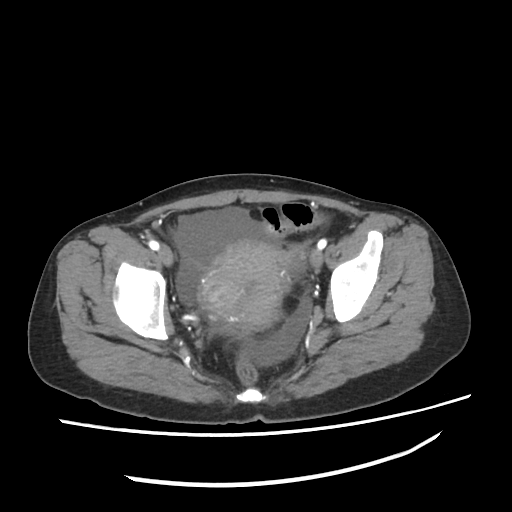

CT, abdomen/pelvis. axial plane, index 12. scan has 15 labeled organs (that count is for the whole scan; organs this slice misses have no box)
<organs><organ name="prostate/uterus" x1="197" y1="241" x2="286" y2="327"/></organs>